CT, abdomen/pelvis — axial view — soft-tissue window (W 400 / L 40) — 15 organs annotated in this scan (counted over the whole 3D scan, not this slice; an organ is boxed only where this slice passes through it)
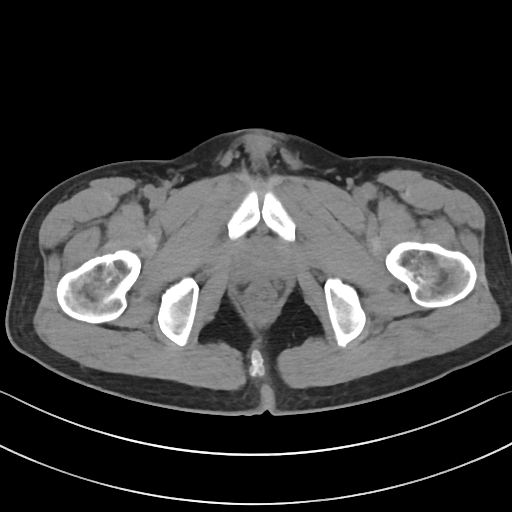 Coordinates as <box>x1,y1,x2,y2</box> in pixels. 1 labeled organ on this slice — prostate/uterus at <box>242,245,282,280</box>.